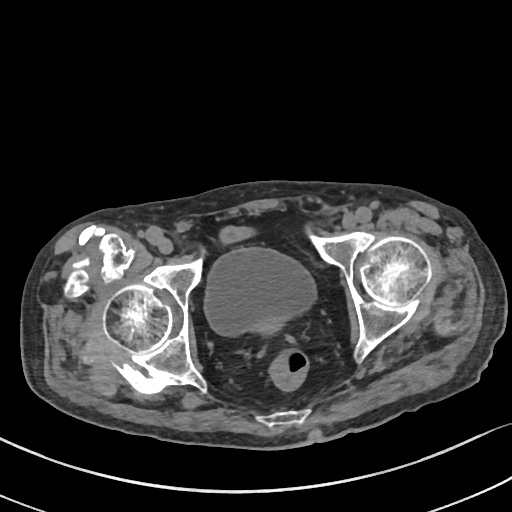
CT, abdomen/pelvis; axial plane, index 26; soft-tissue window (W 400 / L 40)
Organ boxes in pixel coordinates; each row gives the top-left (x1, y1) and bottom-right (x2, y2) corners.
| organ | x1 | y1 | x2 | y2 |
|---|---|---|---|---|
| bladder | 204 | 248 | 315 | 335 |